CT of the abdomen reaching into the lower chest, slice just above the liver and spleen. Axial slice 188/198. soft-tissue window, W/L 400/40. 512x512 px. scan has 14 labeled organs (a whole-scan count: organs this slice does not pass through have no box)
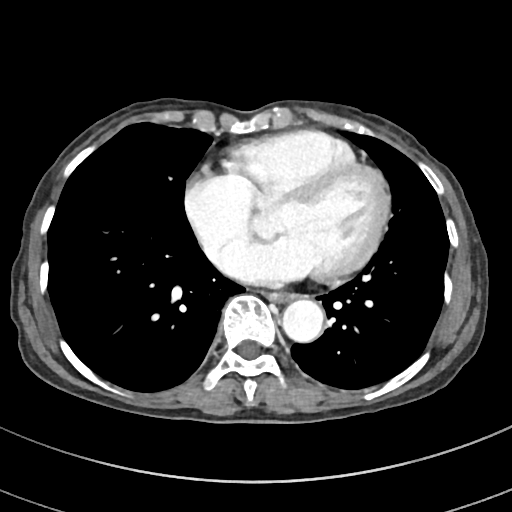

The heart and lungs are never labeled in this dataset, so they have no box on this slice.
One row per box, in pixels: columns x1 and y1 give the top-left corner, x2 and y2 the bottom-right.
| organ | x1 | y1 | x2 | y2 |
|---|---|---|---|---|
| aorta | 282 | 298 | 323 | 342 |
| esophagus | 267 | 291 | 293 | 301 |